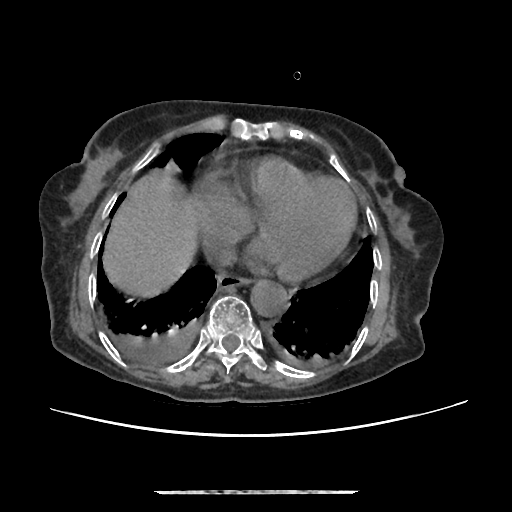
CT abdomen; axial view
Box edges are left/top/right/bottom in pixels. Labeled organs on this slice: inferior vena cava at left=208, top=240, right=236, bottom=265, aorta at left=250, top=279, right=287, bottom=315, esophagus at left=217, top=272, right=249, bottom=288, liver at left=102, top=173, right=196, bottom=296.